Computed tomography, abdomen — axial view — 512x512 px
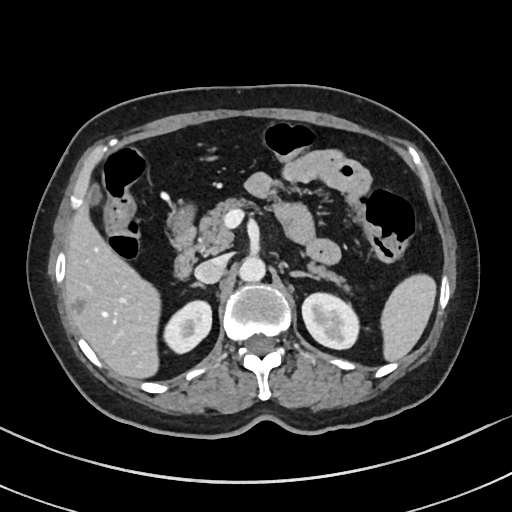

{"organs":{"gall bladder":[88,182,101,205],"right adrenal gland":[189,283,209,290],"inferior vena cava":[194,255,227,283],"left kidney":[302,293,359,348],"right kidney":[164,301,211,353],"left adrenal gland":[289,270,320,279],"aorta":[237,256,265,282],"duodenum":[166,222,196,276],"liver":[65,201,158,379],"stomach":[166,207,196,236],"pancreas":[197,196,352,291],"spleen":[381,276,437,362]}}